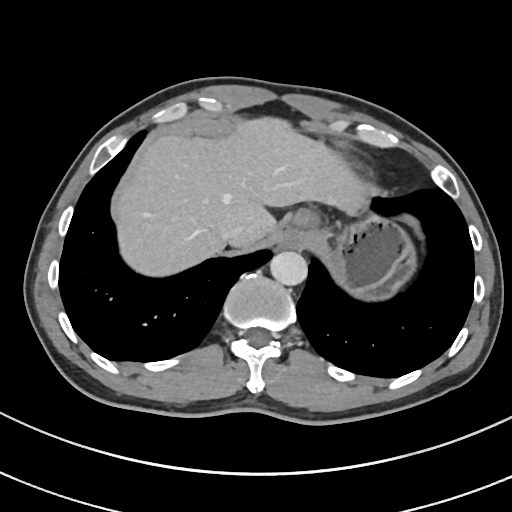
CT abdomen; axial view; 15 organs annotated in this scan (counted over the whole 3D scan, not this slice; an organ is boxed only where this slice passes through it)
Boxes: x1:y1:x2:y2 in pixels.
Organ bounding boxes:
- esophagus: 277:231:300:246
- inferior vena cava: 221:226:242:241
- liver: 116:120:370:275
- stomach: 290:208:418:301
- aorta: 269:251:307:285